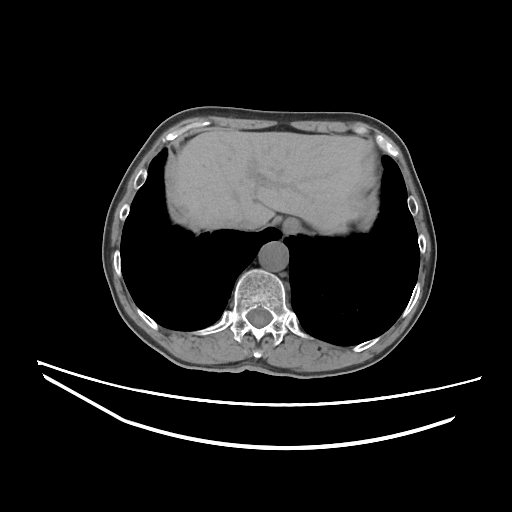 CT abdomen — axial view — 68-year-old male patient
Boxes: x1:y1:x2:y2 in pixels.
Organ bounding boxes:
- inferior vena cava: 233:211:262:229
- liver: 167:131:372:233
- esophagus: 282:217:300:233
- aorta: 258:242:288:271